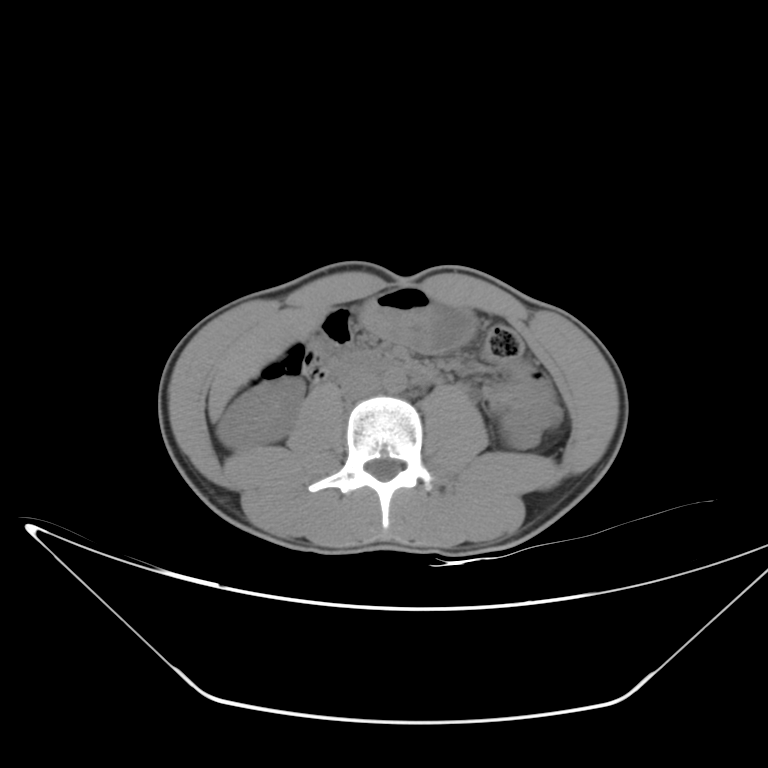 Computed tomography, abdomen. axial plane, index 45. abdomen soft-tissue window. 15 organs annotated in this scan (a whole-scan count: organs this slice does not pass through have no box)
<organs><organ name="right kidney" x1="217" y1="377" x2="304" y2="450"/><organ name="liver" x1="208" y1="300" x2="332" y2="418"/><organ name="stomach" x1="359" y1="286" x2="475" y2="349"/><organ name="aorta" x1="383" y1="369" x2="406" y2="392"/><organ name="inferior vena cava" x1="341" y1="371" x2="380" y2="398"/><organ name="duodenum" x1="328" y1="352" x2="433" y2="383"/></organs>